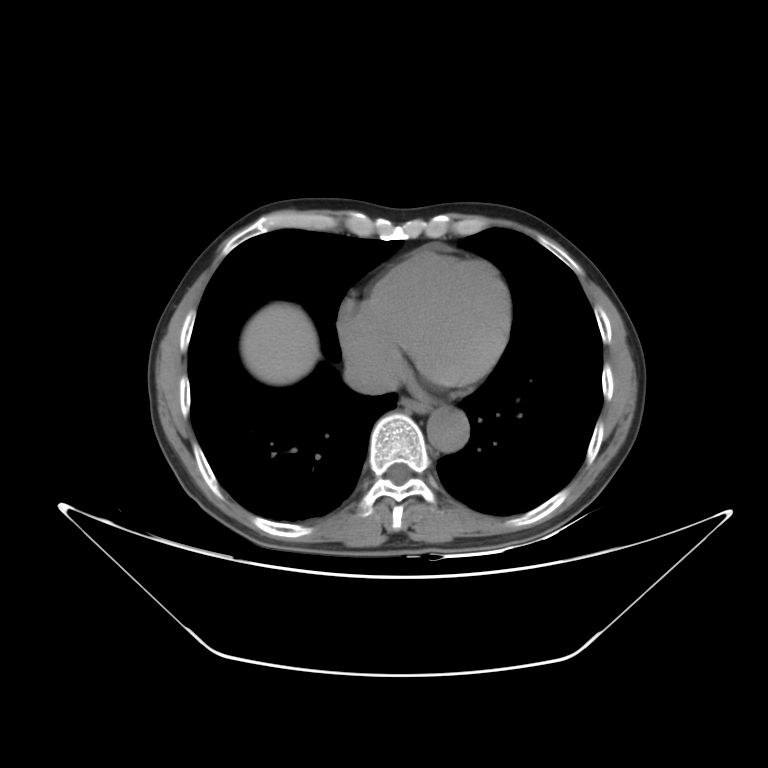 CT, abdomen/pelvis · axial view · 768x768 px · 52-year-old male patient
<organs><organ name="esophagus" x1="400" y1="397" x2="431" y2="413"/><organ name="liver" x1="241" y1="303" x2="319" y2="384"/><organ name="aorta" x1="426" y1="408" x2="469" y2="452"/><organ name="inferior vena cava" x1="344" y1="357" x2="398" y2="394"/></organs>